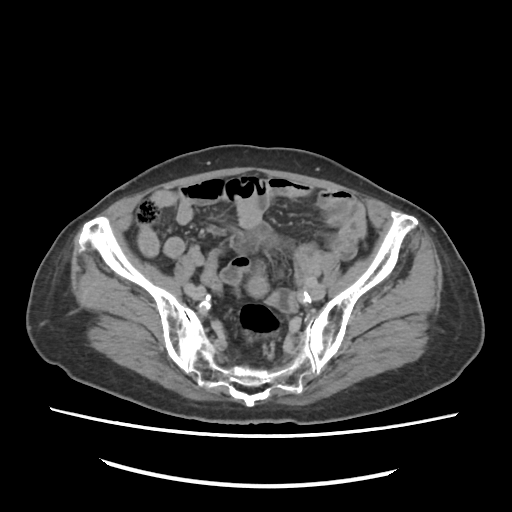
Abdominal CT — axial plane, index 31 — 76-year-old female patient — 15 organs annotated in this scan (counted over the whole 3D scan, not this slice; an organ is boxed only where this slice passes through it)
Bounding boxes as [x1, y1, x2, y2] in pixel coordinates. Labeled organs on this slice: prostate/uterus at [244, 272, 271, 299].